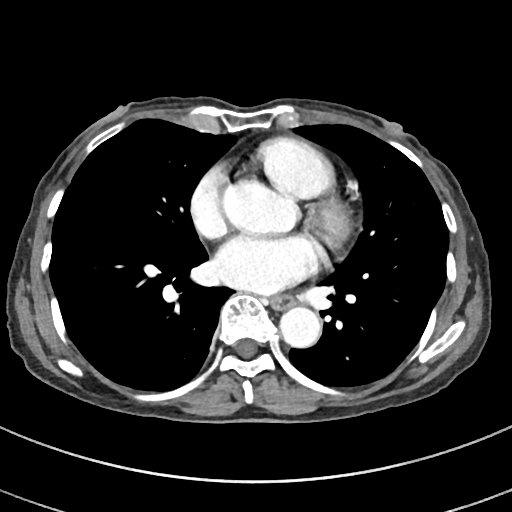
CT of the abdomen reaching into the lower chest, slice just above the liver and spleen; axial view; 14 organs annotated in this scan (counted over the whole 3D scan, not this slice; an organ is boxed only where this slice passes through it)
Of the structures in the chest, this dataset labels only the esophagus, the aorta and the inferior vena cava; the heart and lungs have no label.
Bounding boxes as [x1, y1, x2, y2] in pixel coordinates.
esophagus: [270, 294, 295, 308]
aorta: [223, 181, 295, 233]
aorta: [280, 306, 321, 347]